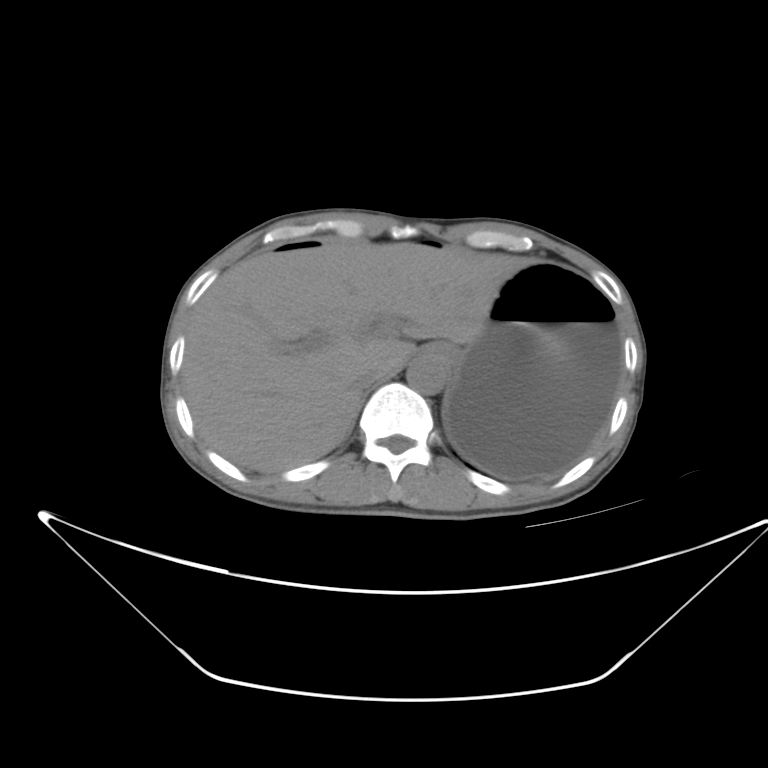

CT abdomen; axial view; soft-tissue window
Boxes: x1:y1:x2:y2 in pixels.
esophagus: 423:341:458:369
liver: 182:242:528:471
stomach: 438:263:625:482
aorta: 407:355:448:394
inferior vena cava: 347:360:388:393